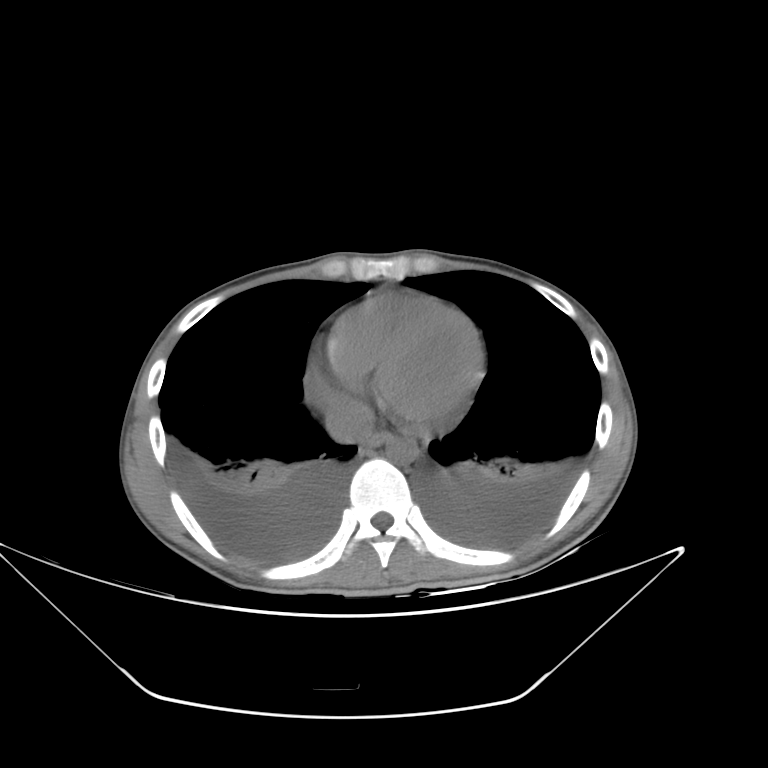

Lower-chest slice from an abdominal CT, just above the liver and spleen — axial view
The heart and lungs are never labeled in this dataset, so they have no box on this slice.
{"organs":{"inferior vena cava":[325,397,373,443],"esophagus":[366,431,389,448],"aorta":[385,435,418,464]}}